Computed tomography, abdomen; Axial slice 100/192; soft-tissue window; 512x512 px
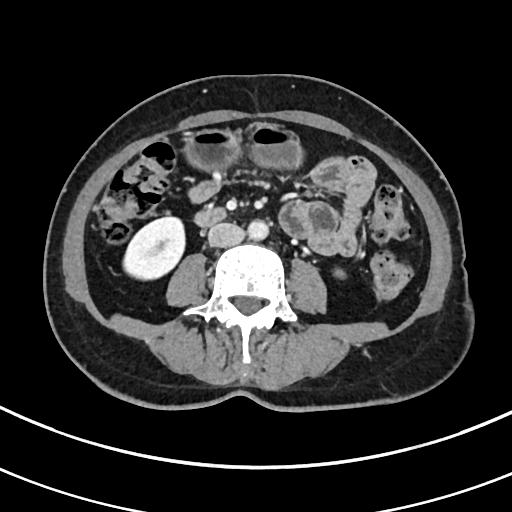

{"organs":{"right kidney":[124,215,185,277],"left kidney":[335,271,346,277],"stomach":[186,125,302,170],"aorta":[248,220,268,239],"inferior vena cava":[208,223,245,246],"duodenum":[193,207,223,225]}}